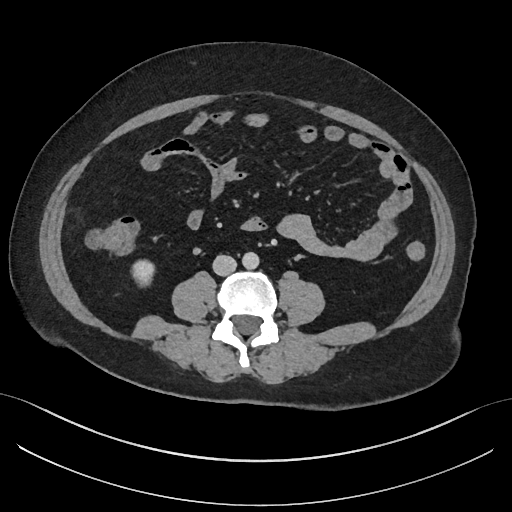
CT, abdomen/pelvis. axial view. soft-tissue window (W 400 / L 40)
One row per box, in pixels: columns x1 and y1 give the top-left corner, x2 and y2 the bottom-right.
| organ | x1 | y1 | x2 | y2 |
|---|---|---|---|---|
| right kidney | 131 | 260 | 154 | 286 |
| aorta | 242 | 252 | 259 | 269 |
| inferior vena cava | 213 | 255 | 236 | 275 |